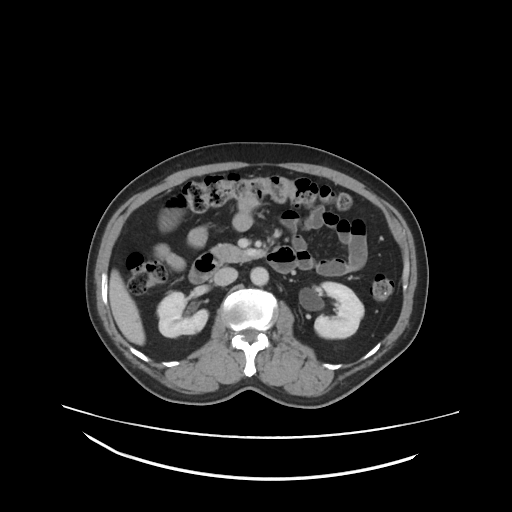

Abdominal CT. axial view. 66-year-old male patient
Box edges are left/top/right/bottom in pixels.
right kidney: left=157, top=292, right=208, bottom=337
left kidney: left=314, top=282, right=363, bottom=338
liver: left=109, top=270, right=145, bottom=345
aorta: left=250, top=267, right=268, bottom=285
inferior vena cava: left=214, top=268, right=237, bottom=286
pancreas: left=212, top=245, right=247, bottom=261
duodenum: left=189, top=246, right=296, bottom=283